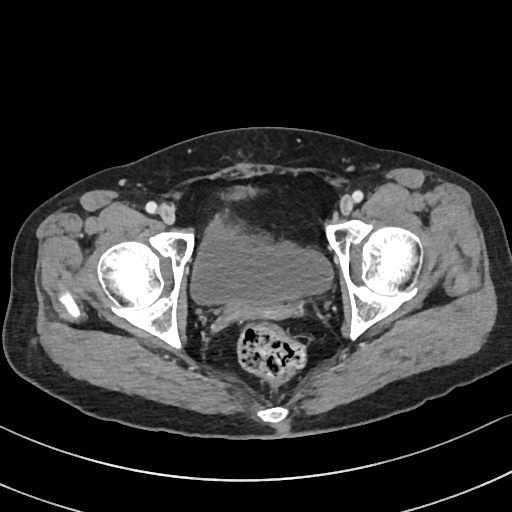

CT abdomen; axial view; scan has 14 labeled organs (a whole-scan count: organs this slice does not pass through have no box)
Coordinates as <box>x1,y1,x2,y2</box> in pixels.
Organ bounding boxes:
- bladder: <box>191,187,332,306</box>